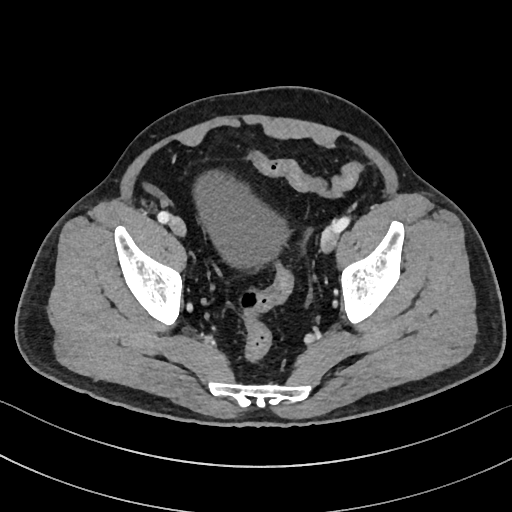
Abdominal CT; Axial slice 50/232
Coordinates as <box>x1,y1,x2,y2</box> in pixels.
Organ bounding boxes:
- bladder: <box>195,172,289,270</box>